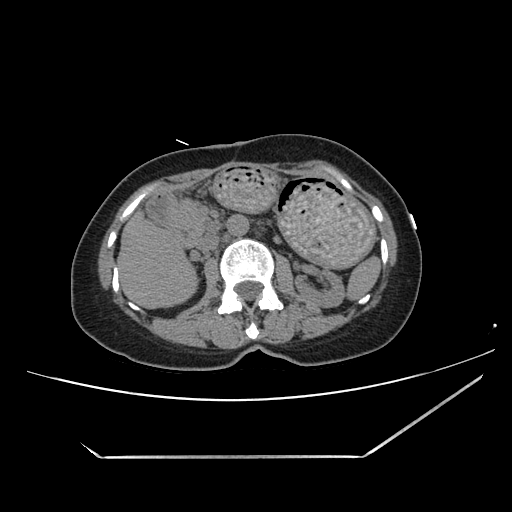 Computed tomography, abdomen — Axial slice 94/143 — abdomen soft-tissue window — 512x512 px
One row per box, in pixels: columns x1 and y1 give the top-left corner, x2 and y2 the bottom-right.
| organ | x1 | y1 | x2 | y2 |
|---|---|---|---|---|
| spleen | 347 | 254 | 381 | 301 |
| left kidney | 295 | 269 | 344 | 307 |
| liver | 117 | 208 | 198 | 308 |
| stomach | 215 | 164 | 373 | 266 |
| aorta | 227 | 215 | 249 | 236 |
| inferior vena cava | 197 | 234 | 220 | 251 |
| pancreas | 170 | 199 | 214 | 244 |
| duodenum | 147 | 190 | 193 | 246 |